CT, abdomen/pelvis; axial view; soft-tissue window; 512x512 px; 47-year-old female patient; scan has 15 labeled organs (counted over the whole 3D scan, not this slice; an organ is boxed only where this slice passes through it)
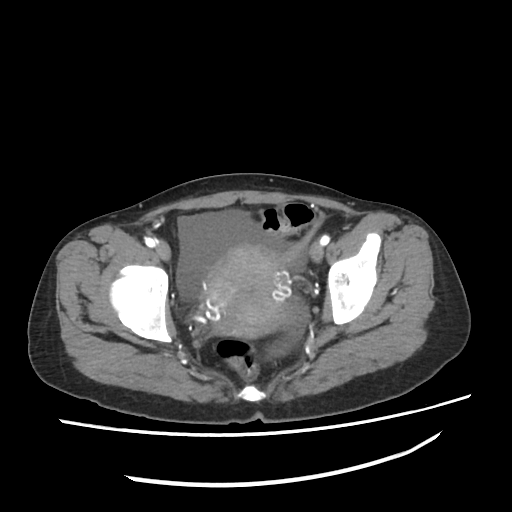 Box edges are left/top/right/bottom in pixels. 1 labeled organ on this slice — prostate/uterus at left=201, top=245, right=294, bottom=337.